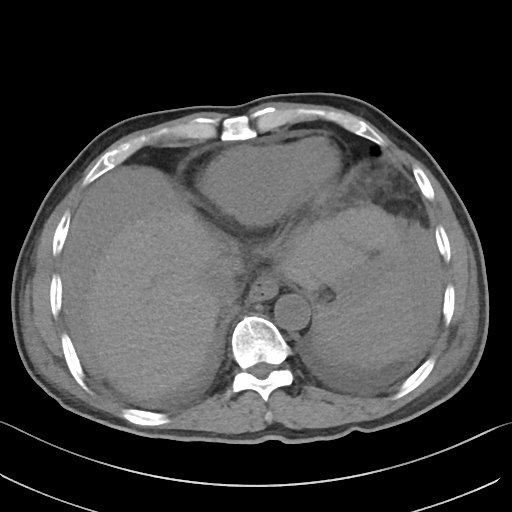
Computed tomography, abdomen · Axial slice 84/100 · abdomen soft-tissue window
Each box given as x1,y1,x2,y2.
Organ bounding boxes:
- spleen: x1=315, y1=273, x2=440, y2=366
- esophagus: x1=247, y1=275, x2=278, y2=302
- liver: x1=86, y1=205, x2=404, y2=399
- stomach: x1=335, y1=270, x2=368, y2=294
- aorta: x1=274, y1=294, x2=310, y2=330
- inferior vena cava: x1=206, y1=279, x2=241, y2=306